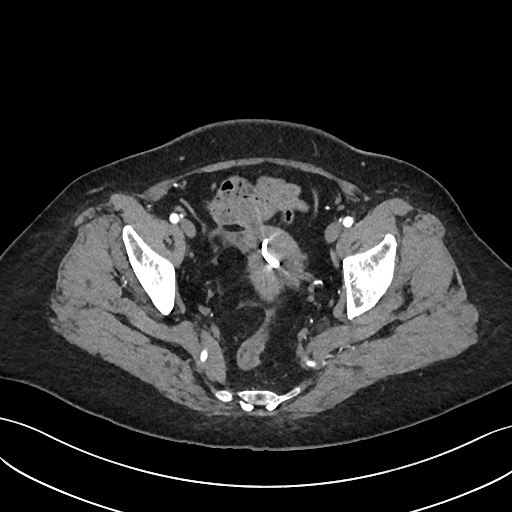

CT abdomen — axial view
{"organs":{"prostate/uterus":[237,228,302,299]}}